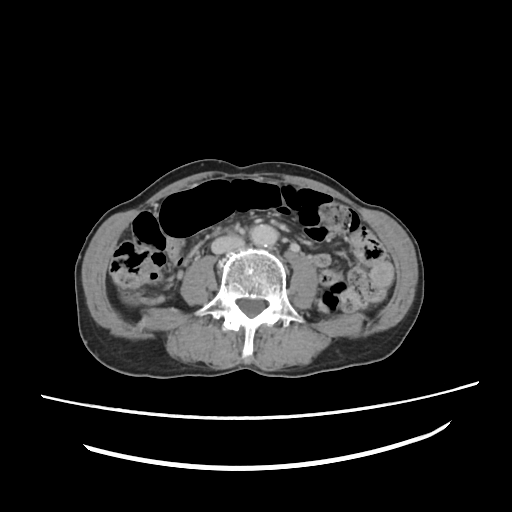

Computed tomography, abdomen; axial view; soft-tissue window (W 400 / L 40); acquired on Aquilion ONE
Coordinates as <box>x1,y1,x2,y2</box> in pixels.
inferior vena cava: <box>211,238,244,253</box>
aorta: <box>251,223,279,247</box>